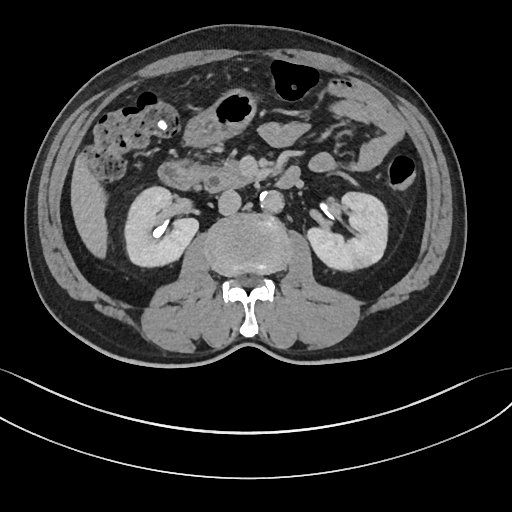

Computed tomography, abdomen — axial view — 512x512 px
<organs><organ name="right kidney" x1="124" y1="185" x2="197" y2="265"/><organ name="left kidney" x1="307" y1="191" x2="388" y2="268"/><organ name="liver" x1="71" y1="153" x2="105" y2="254"/><organ name="stomach" x1="185" y1="89" x2="254" y2="145"/><organ name="aorta" x1="259" y1="190" x2="283" y2="212"/><organ name="inferior vena cava" x1="218" y1="189" x2="241" y2="214"/><organ name="pancreas" x1="201" y1="160" x2="261" y2="191"/><organ name="duodenum" x1="158" y1="161" x2="300" y2="188"/></organs>